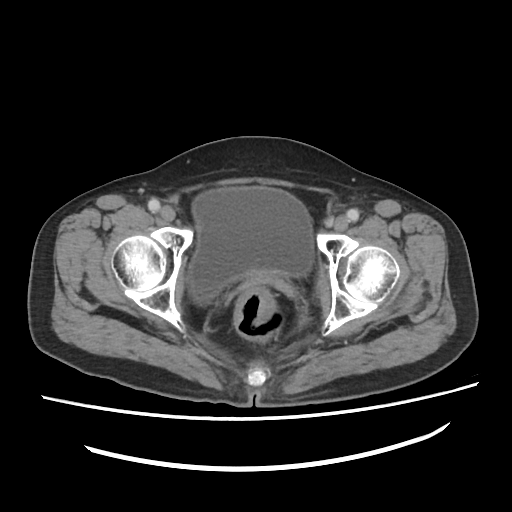 CT, abdomen/pelvis; axial view; abdomen soft-tissue window; acquired on Aquilion ONE
{"organs":{"bladder":[190,185,311,300]}}